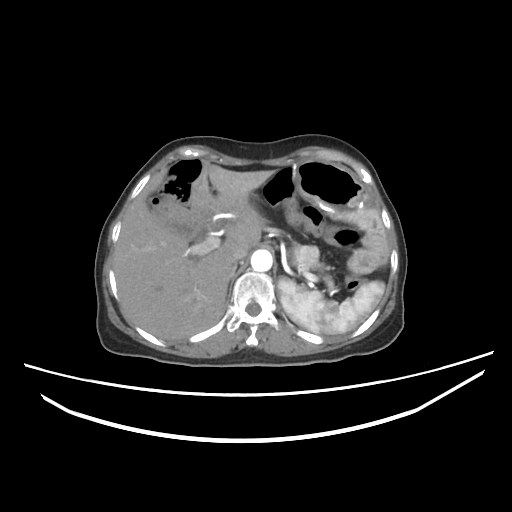 CT abdomen — axial view — abdomen soft-tissue window — 63-year-old female patient
{"organs":{"spleen":[279,275,383,334],"liver":[114,165,274,341],"stomach":[268,161,364,213],"aorta":[251,249,273,271],"inferior vena cava":[232,241,251,261],"pancreas":[296,246,336,290],"right adrenal gland":[227,262,236,281]}}